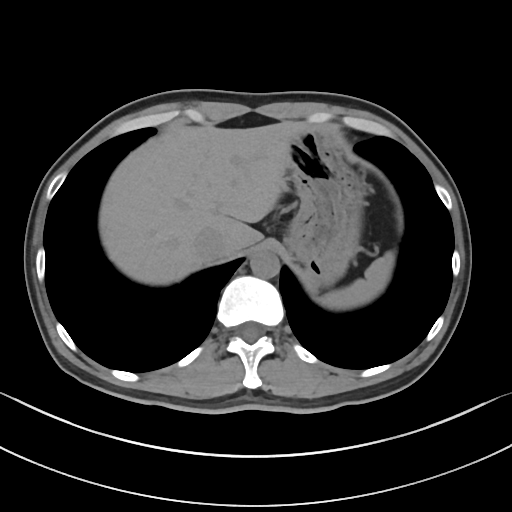

Computed tomography, abdomen. axial view
<organs><organ name="liver" x1="99" y1="121" x2="308" y2="285"/><organ name="aorta" x1="250" y1="250" x2="279" y2="278"/><organ name="inferior vena cava" x1="193" y1="228" x2="228" y2="261"/><organ name="spleen" x1="317" y1="251" x2="394" y2="309"/><organ name="stomach" x1="284" y1="130" x2="366" y2="287"/></organs>